Computed tomography, abdomen. axial plane, index 45
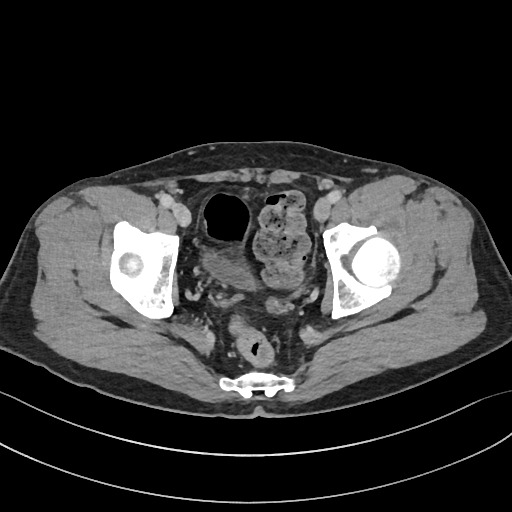

<organs><organ name="bladder" x1="202" y1="255" x2="254" y2="290"/></organs>